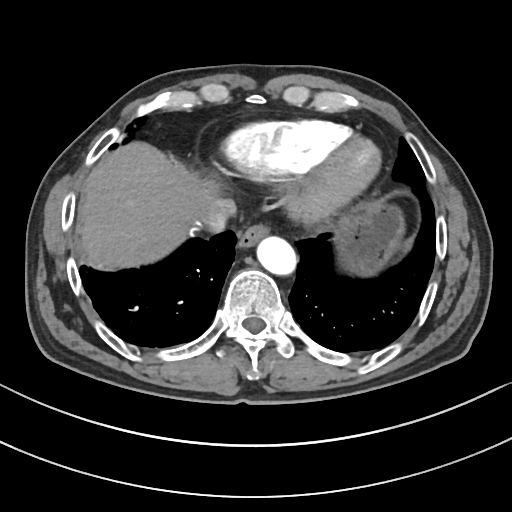
Computed tomography, abdomen · axial view · W/L 400/40 HU · 512x512 px
<organs><organ name="inferior vena cava" x1="196" y1="198" x2="236" y2="232"/><organ name="stomach" x1="344" y1="206" x2="404" y2="275"/><organ name="esophagus" x1="238" y1="224" x2="268" y2="248"/><organ name="aorta" x1="257" y1="237" x2="296" y2="274"/><organ name="liver" x1="81" y1="142" x2="215" y2="268"/></organs>